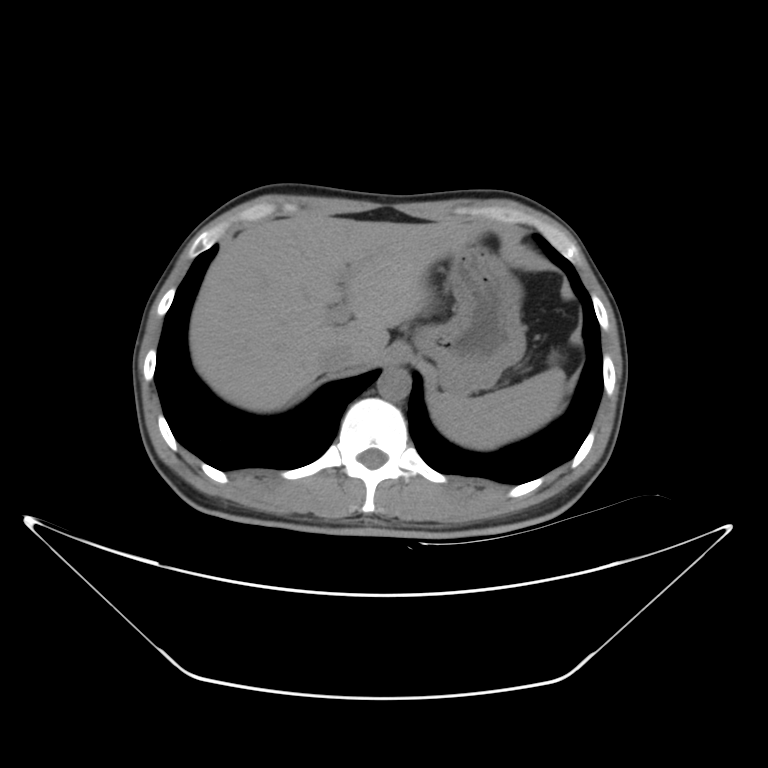
Abdominal CT; axial view; 768x768 px; acquired on Brilliance16
Boxes: x1:y1:x2:y2 in pixels.
spleen: 432:366:569:449
liver: 188:208:492:411
stomach: 410:243:526:393
aorta: 376:366:409:401
inferior vena cava: 317:341:360:372